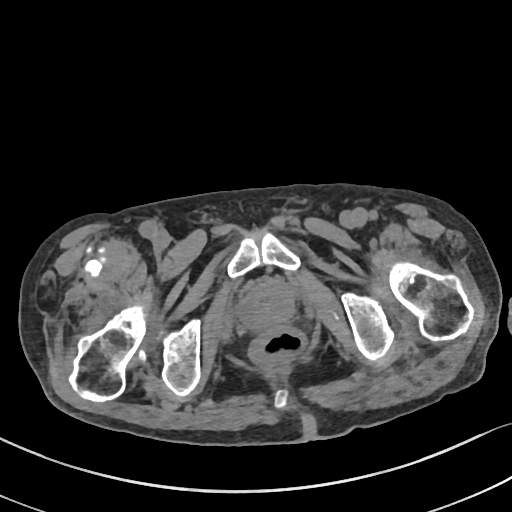
Abdominal CT · axial view · soft-tissue window (W 400 / L 40) · 512x512 px
{"organs":{"prostate/uterus":[238,280,293,329]}}